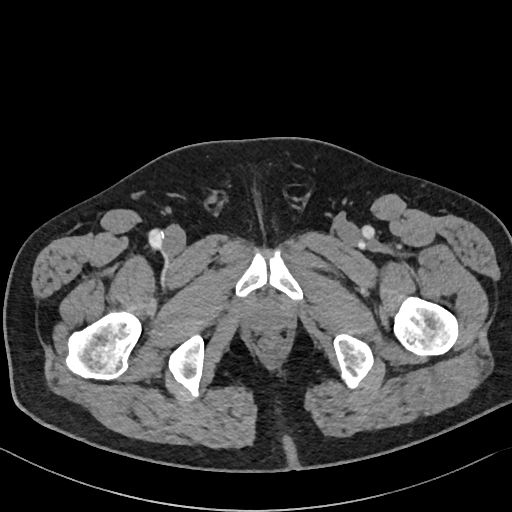

Abdominal CT · axial view · scan has 15 labeled organs (a whole-scan count: organs this slice does not pass through have no box)
<organs><organ name="prostate/uterus" x1="252" y1="307" x2="283" y2="331"/></organs>